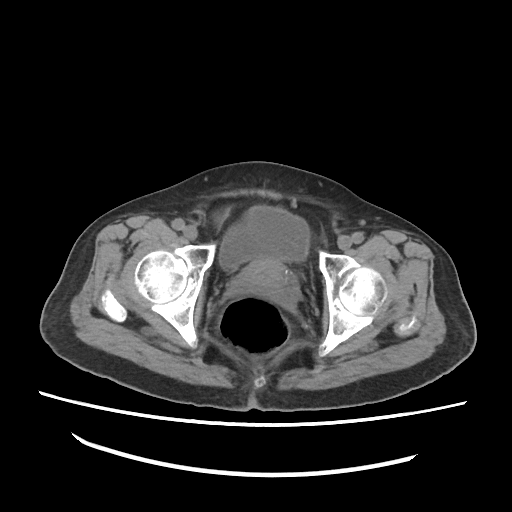 CT abdomen — axial view — abdomen soft-tissue window — acquired on Aquilion ONE
One row per box, in pixels: columns x1 and y1 give the top-left corner, x2 and y2 the bottom-right.
| organ | x1 | y1 | x2 | y2 |
|---|---|---|---|---|
| bladder | 220 | 207 | 311 | 270 |
| prostate/uterus | 232 | 255 | 297 | 304 |